CT, abdomen/pelvis — Axial slice 48/91
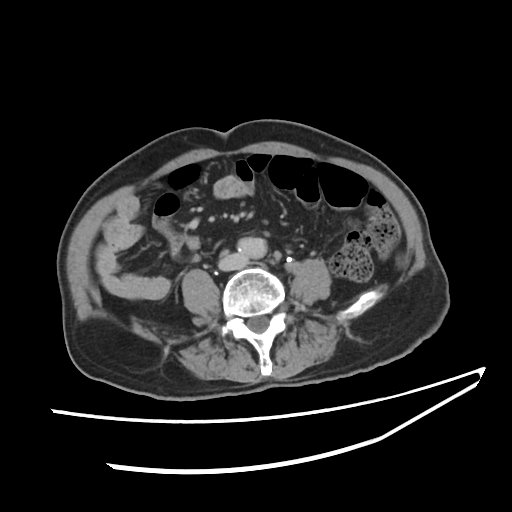

One row per box, in pixels: columns x1 and y1 give the top-left corner, x2 and y2 the bottom-right.
| organ | x1 | y1 | x2 | y2 |
|---|---|---|---|---|
| aorta | 237 | 238 | 267 | 258 |
| inferior vena cava | 218 | 255 | 248 | 268 |